Abdominal CT · axial plane, index 98
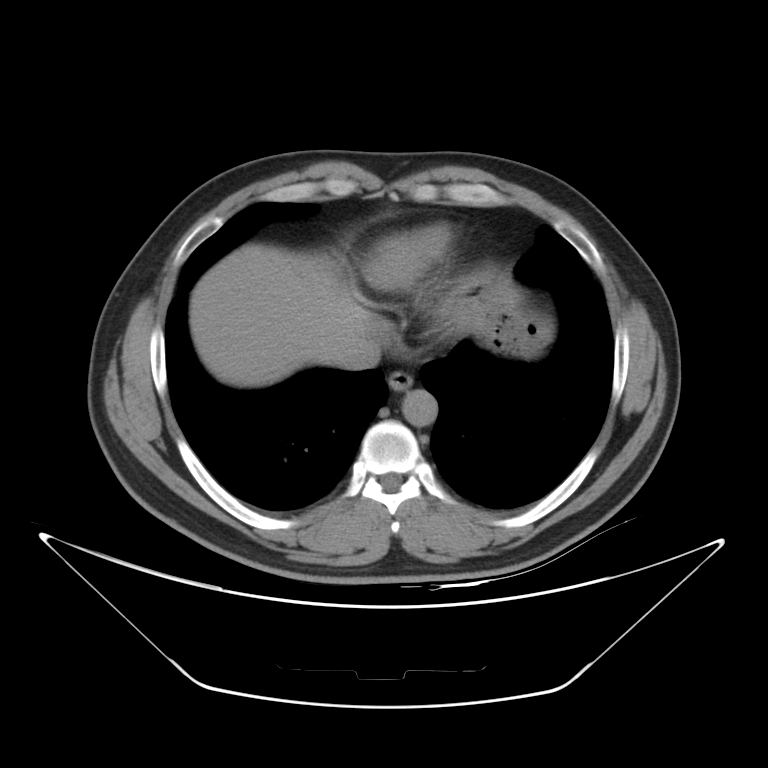

Coordinates as <box>x1,y1,x2,y2</box> in pixels.
esophagus: <box>389,370,413,391</box>
liver: <box>189,243,479,386</box>
stomach: <box>447,271,550,355</box>
aorta: <box>401,390,436,426</box>
inferior vena cava: <box>338,332,381,369</box>